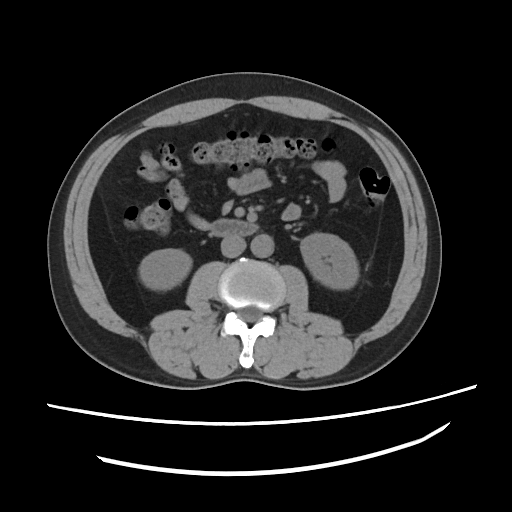
CT abdomen. axial view. soft-tissue window. 512x512 px. Aquilion ONE scanner
Boxes: x1 y1 x2 y2 (pixel coords, space-separated).
Organ bounding boxes:
- right kidney: 140 248 188 291
- left kidney: 299 232 357 290
- aorta: 251 234 274 258
- inferior vena cava: 220 235 246 256
- duodenum: 211 220 257 236